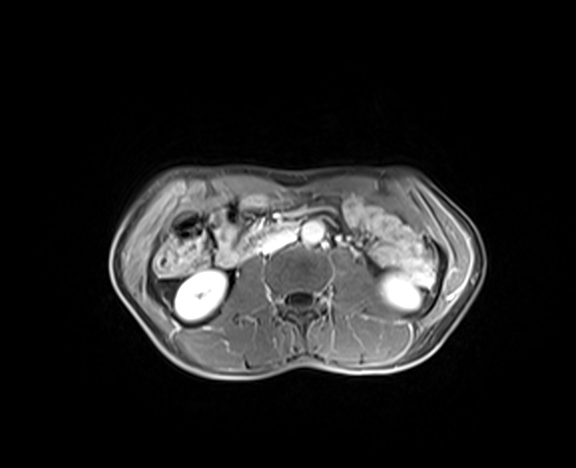

Abdominal MRI. axial plane, index 21. percentile-normalized. 576x468 px. Prisma scanner
Boxes are (x1, y1, x2, y2) in pixels. 5 labeled organs on this slice — right kidney at (175, 269, 227, 320); left kidney at (379, 275, 420, 309); aorta at (301, 221, 323, 244); inferior vena cava at (257, 230, 296, 254); duodenum at (237, 221, 299, 258).